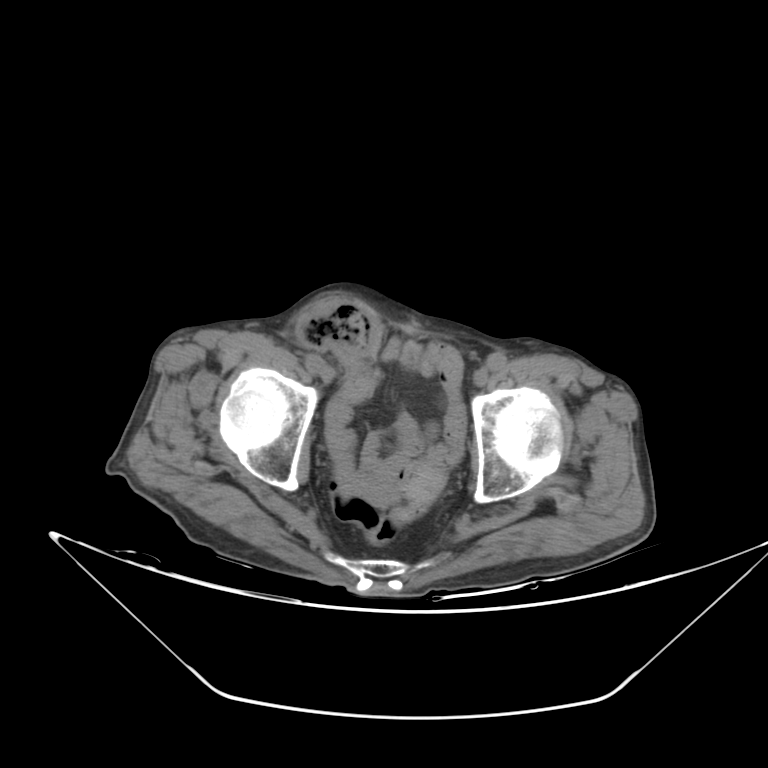

CT, abdomen/pelvis — axial view — male patient aged 90 or older — 15 organs annotated in this scan (counted over the whole 3D scan, not this slice; an organ is boxed only where this slice passes through it)
Organ boxes in pixel coordinates; each row gives the top-left (x1, y1) and bottom-right (x2, y2) corners.
| organ | x1 | y1 | x2 | y2 |
|---|---|---|---|---|
| bladder | 403 | 344 | 418 | 367 |